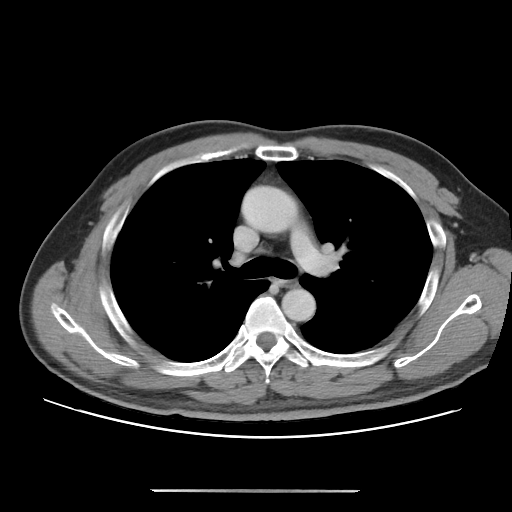 Chest-level slice from an abdominal CT that extends up into the chest — axial plane, index 111 — acquired on SOMATOM Force
At this level of the chest this dataset labels only the esophagus and the aorta, and each is boxed only where it is labeled; the heart and lungs are never labeled.
Bounding boxes in pixels, one row per box: x1, y1 is the top-left corner and x2, y2 the bottom-right.
| organ | x1 | y1 | x2 | y2 |
|---|---|---|---|---|
| esophagus | 279 | 279 | 297 | 286 |
| aorta | 241 | 185 | 297 | 232 |
| aorta | 281 | 288 | 315 | 321 |